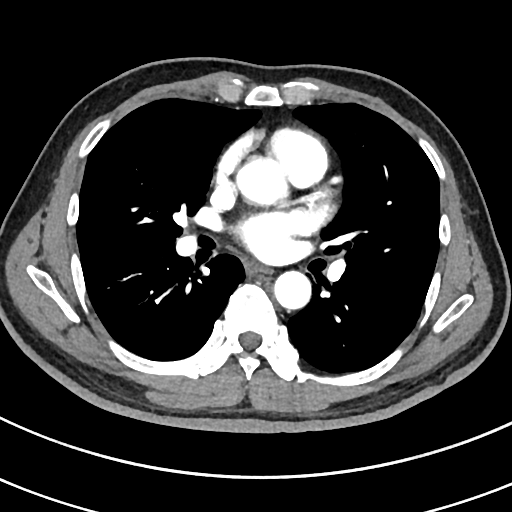

Abdominal CT reaching into the chest; this slice is in the chest; axial view; 512x512 px; 15 organs annotated in this scan (a whole-scan count: organs this slice does not pass through have no box)
On a slice this high in the chest, this dataset labels only the esophagus and the aorta, and each is boxed only where it is labeled; the heart, lungs and other chest structures are not labeled.
<organs><organ name="esophagus" x1="247" y1="264" x2="270" y2="273"/><organ name="aorta" x1="237" y1="157" x2="287" y2="205"/><organ name="aorta" x1="274" y1="270" x2="311" y2="309"/></organs>